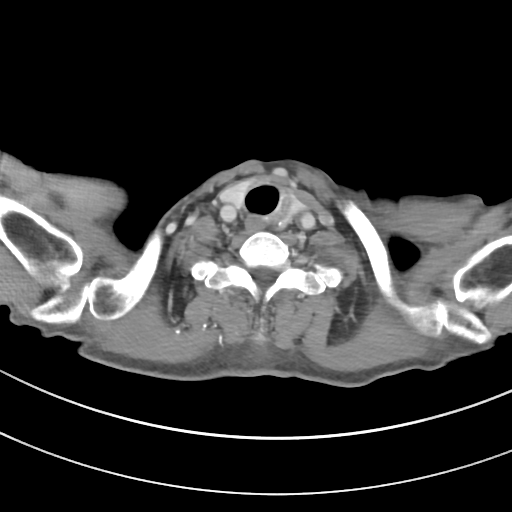

Chest-level CT slice, above the liver and spleen; Axial slice 120/122; soft-tissue window (W 400 / L 40); 512x512 px; SOMATOM Force scanner; scan has 15 labeled organs (that count is for the whole scan; organs this slice misses have no box)
On a slice this high in the chest, this dataset labels only the esophagus and the aorta, and each is boxed only where it is labeled; the heart, lungs and other chest structures are not labeled.
Boxes: x1:y1:x2:y2 in pixels.
Organ bounding boxes:
- esophagus: 245:216:265:233